CT, abdomen/pelvis; axial view; soft-tissue window
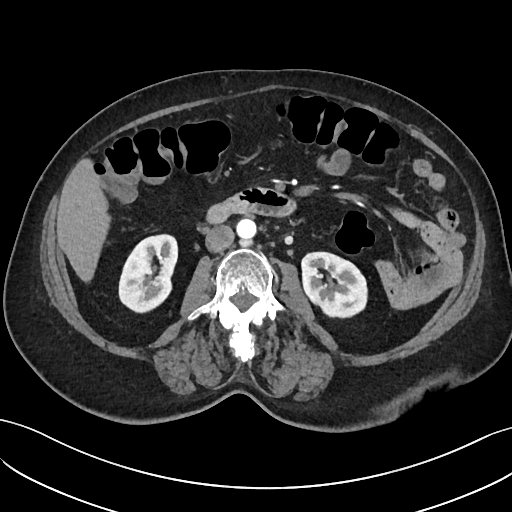
{"organs":{"inferior vena cava":[205,225,234,252],"duodenum":[206,187,295,223],"left kidney":[301,252,367,317],"liver":[56,158,110,282],"right kidney":[119,234,177,312],"aorta":[236,218,256,239]}}